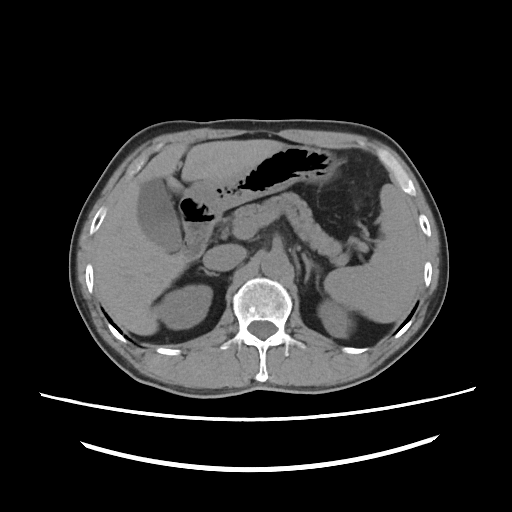

Abdominal CT — axial view — 512x512 px — 55-year-old male patient
Each box given as x1,y1,x2,y2.
Organ bounding boxes:
- spleen: x1=324, y1=184, x2=420, y2=322
- right kidney: x1=155, y1=284, x2=211, y2=329
- left kidney: x1=318, y1=300, x2=348, y2=337
- gall bladder: x1=138, y1=181, x2=181, y2=249
- liver: x1=94, y1=138, x2=288, y2=335
- stomach: x1=180, y1=146, x2=342, y2=210
- aorta: x1=260, y1=251, x2=287, y2=277
- inferior vena cava: x1=203, y1=244, x2=246, y2=270
- pancreas: x1=232, y1=192, x2=348, y2=266
- right adrenal gland: x1=201, y1=269, x2=219, y2=276
- left adrenal gland: x1=303, y1=252, x2=319, y2=281
- duodenum: x1=180, y1=199, x2=220, y2=258
- bladder: x1=205, y1=215, x2=210, y2=223